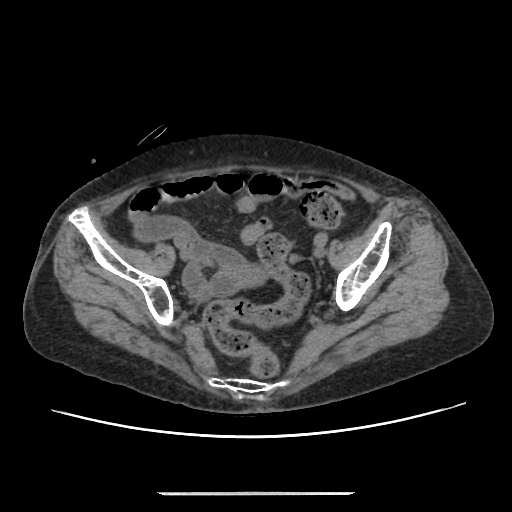 CT, abdomen/pelvis · axial view · SOMATOM Force scanner · scan has 14 labeled organs (a whole-scan count: organs this slice does not pass through have no box)
<organs><organ name="prostate/uterus" x1="233" y1="263" x2="267" y2="287"/></organs>